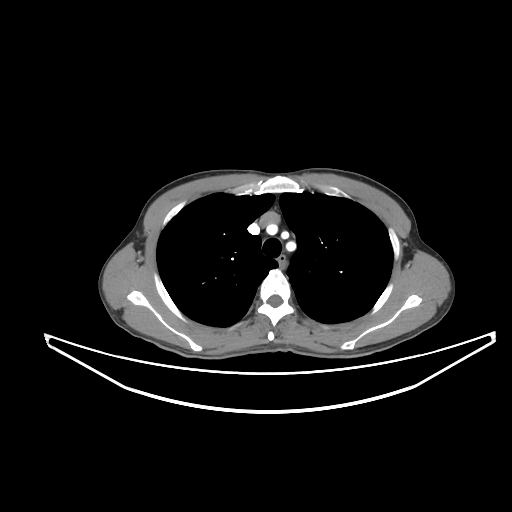

Chest-level CT slice, above the liver and spleen; Axial slice 120/134; soft-tissue window, W/L 400/40; 512x512 px; 52-year-old male patient
At this level of the chest no structure but the esophagus and the aorta has a label in this dataset, and those two are boxed only where they are labeled.
Coordinates as <box>x1,y1,x2,y2</box> in pixels.
esophagus: <box>278,255,284,270</box>